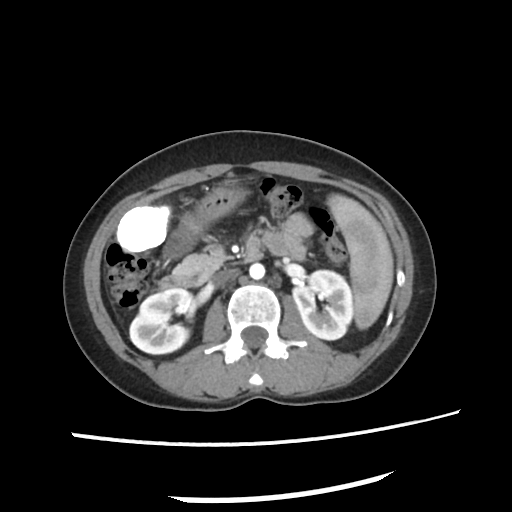 Computed tomography, abdomen; Axial slice 60/124; 512x512 px; acquired on Aquilion ONE
Box edges are left/top/right/bottom in pixels.
inferior vena cava: left=216, top=269, right=235, bottom=283
left kidney: left=291, top=271, right=351, bottom=338
spleen: left=328, top=195, right=392, bottom=328
aorta: left=249, top=263, right=263, bottom=279
liver: left=117, top=205, right=169, bottom=251
pancreas: left=175, top=252, right=225, bottom=283
duodenum: left=159, top=235, right=265, bottom=287
stomach: left=162, top=179, right=248, bottom=259
right kidney: left=130, top=288, right=191, bottom=353